Abdominal CT — axial view — soft-tissue window (W 400 / L 40)
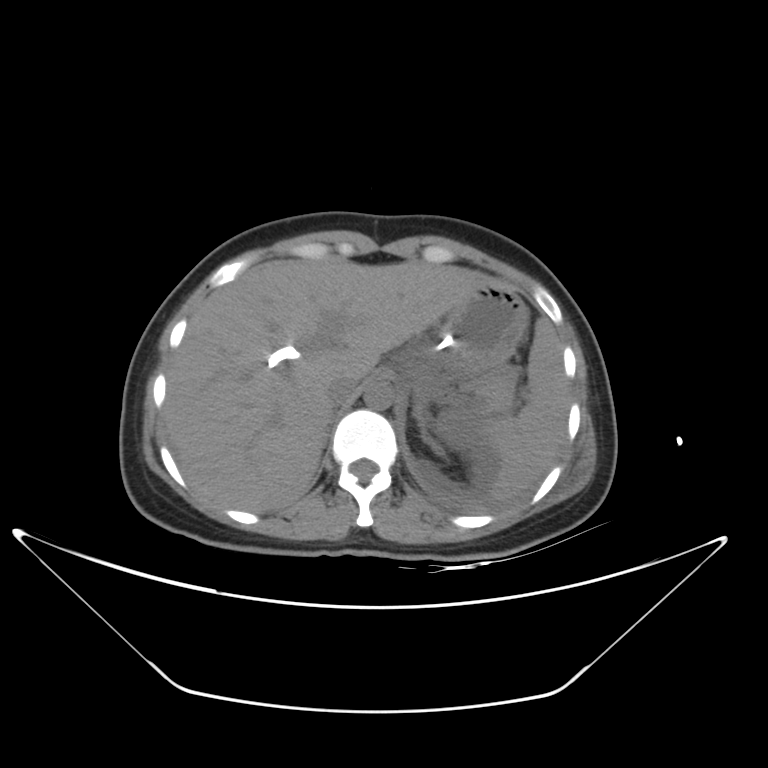 {"organs":{"spleen":[481,318,569,496],"liver":[162,260,490,512],"stomach":[421,283,528,374],"aorta":[363,382,393,409],"inferior vena cava":[327,375,358,405],"pancreas":[475,383,511,410],"left adrenal gland":[413,404,426,432]}}